CT, abdomen/pelvis. axial view. abdomen soft-tissue window. SOMATOM Force scanner
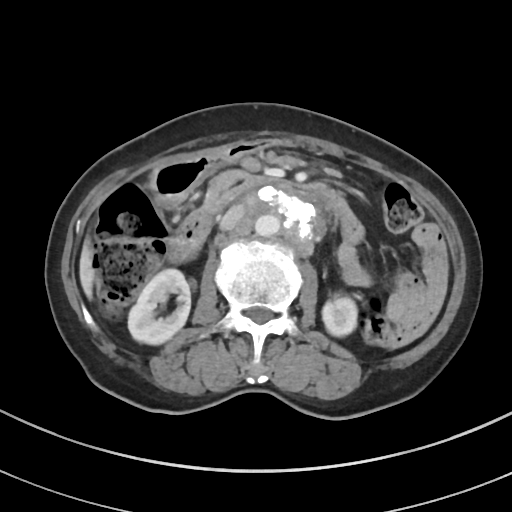
Bounding boxes in pixels, one row per box: x1, y1 is the top-left corner and x2, y2 the bottom-right.
| organ | x1 | y1 | x2 | y2 |
|---|---|---|---|---|
| duodenum | 167 | 174 | 364 | 262 |
| inferior vena cava | 220 | 206 | 243 | 230 |
| pancreas | 205 | 169 | 249 | 196 |
| liver | 79 | 240 | 94 | 297 |
| right kidney | 128 | 268 | 190 | 344 |
| stomach | 150 | 139 | 295 | 206 |
| left kidney | 322 | 295 | 357 | 336 |
| aorta | 255 | 214 | 279 | 236 |